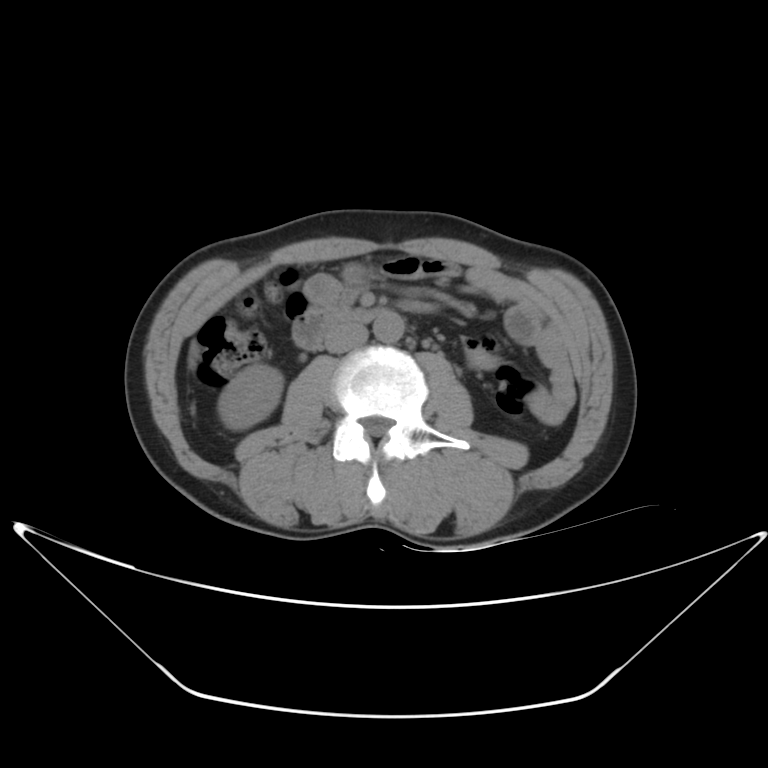

CT, abdomen/pelvis · axial view · 51-year-old male patient · acquired on Brilliance16
Coordinates as <box>x1,y1,x2,y2</box> in pixels.
right kidney: <box>218,365,281,425</box>
aorta: <box>373,311,403,342</box>
inferior vena cava: <box>324,324,366,352</box>
duodenum: <box>293,307,386,350</box>
liver: <box>189,343,199,369</box>